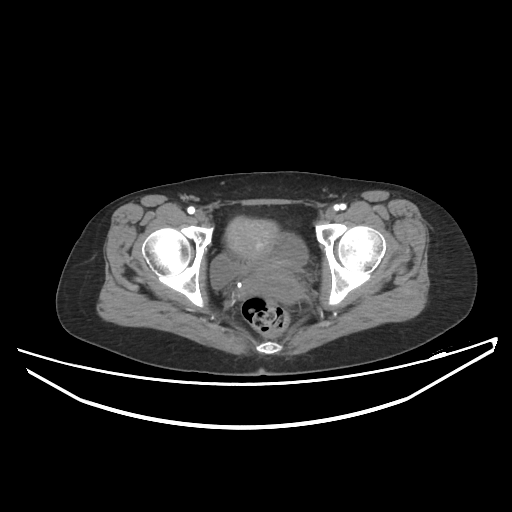 CT abdomen · axial view · soft-tissue window (W 400 / L 40)
Each box given as x1,y1,x2,y2.
prostate/uterus: x1=224, y1=216, x2=302, y2=303
bladder: x1=210, y1=234, x2=307, y2=288